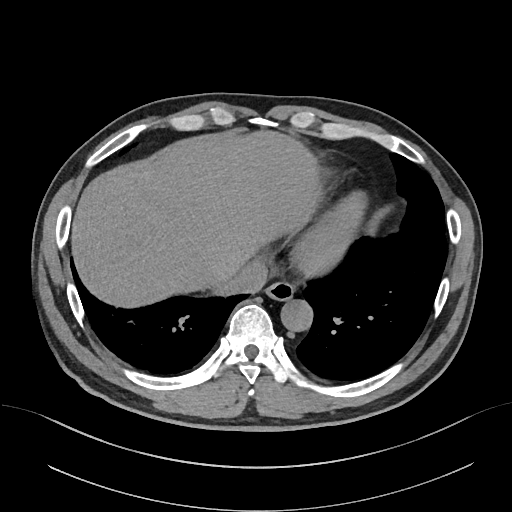 Computed tomography, abdomen · axial view · soft-tissue window (W 400 / L 40) · 512x512 px · acquired on SOMATOM Force · 15 organs annotated in this scan (that count is for the whole scan; organs this slice misses have no box)
{"organs":{"esophagus":[265,283,294,301],"liver":[72,132,320,305],"inferior vena cava":[218,256,268,293],"aorta":[280,300,312,332]}}